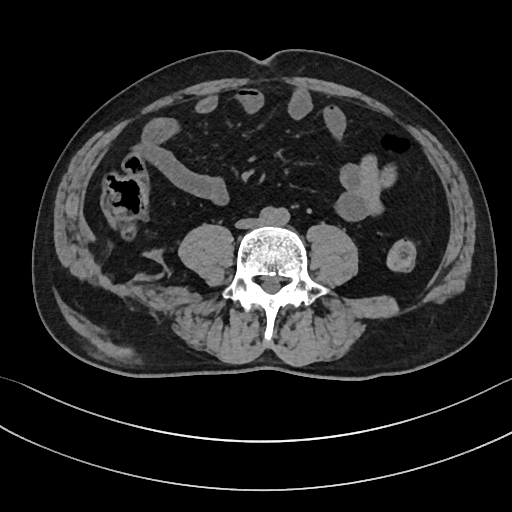 Abdominal CT. Axial slice 101/231. W/L 400/40 HU
One row per box, in pixels: columns x1 and y1 give the top-left corner, x2 and y2 the bottom-right.
| organ | x1 | y1 | x2 | y2 |
|---|---|---|---|---|
| aorta | 261 | 206 | 289 | 225 |
| inferior vena cava | 236 | 218 | 262 | 228 |